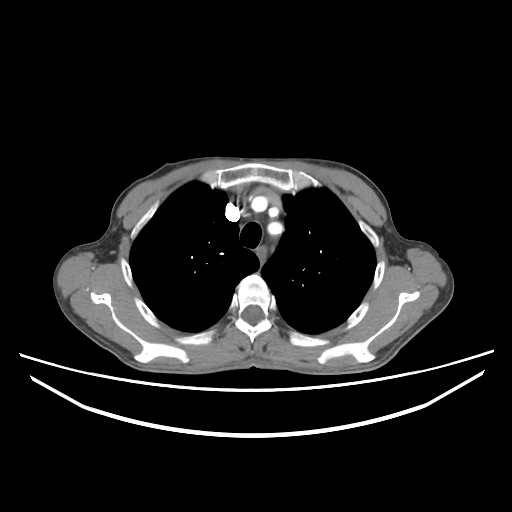
CT of the abdomen extending into the chest, slice through the chest · axial view · soft-tissue window · 50-year-old male patient · Aquilion ONE scanner
On a slice this high in the chest, this dataset labels only the esophagus and the aorta, and each is boxed only where it is labeled; the heart, lungs and other chest structures are not labeled.
Bounding boxes as [x1, y1, x2, y2] in pixel coordinates.
Organ bounding boxes:
- esophagus: [257, 247, 265, 259]